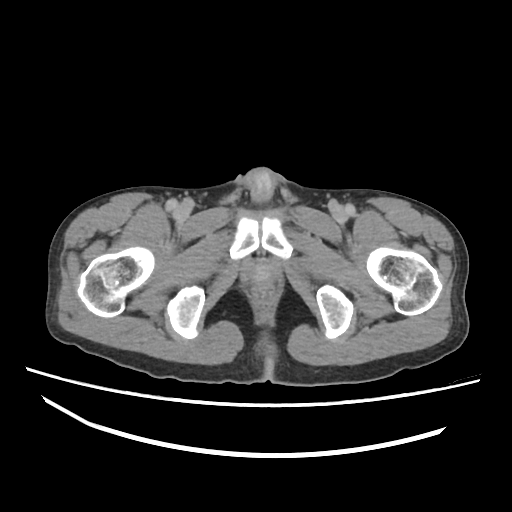

Computed tomography, abdomen · axial plane, index 15 · 40-year-old male patient
Each box given as x1,y1,x2,y2.
prostate/uterus: x1=244, y1=260, x2=278, y2=285